CT abdomen; Axial slice 59/128
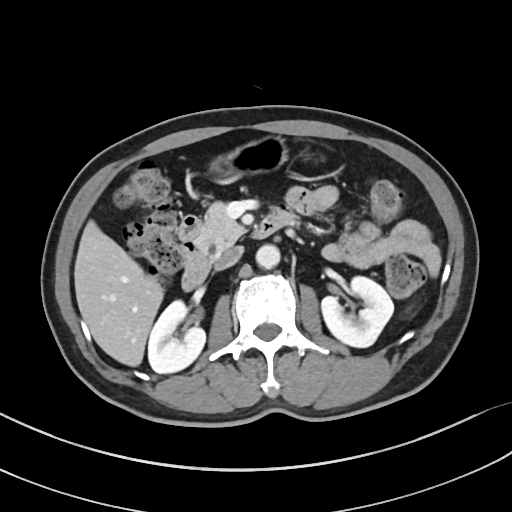 Each box given as x1,y1,x2,y2.
Organ bounding boxes:
- pancreas: x1=194, y1=201, x2=245, y2=256
- left kidney: x1=321, y1=276, x2=393, y2=347
- aorta: x1=255, y1=244, x2=280, y2=268
- liver: x1=74, y1=220, x2=163, y2=366
- right kidney: x1=148, y1=300, x2=205, y2=373
- stomach: x1=209, y1=136, x2=287, y2=180
- inferior vena cava: x1=214, y1=246, x2=243, y2=270
- duodenum: x1=178, y1=208, x2=296, y2=290